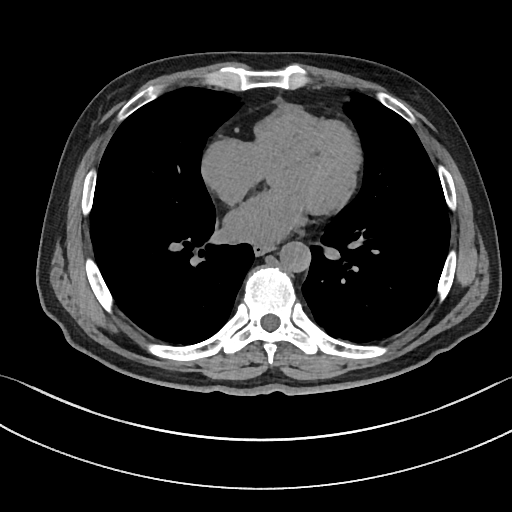 Abdominal CT; this slice is in the lower chest, just above the liver. Axial slice 231/231
No part of the heart or lungs is labeled in this dataset, so neither has a box here.
<organs><organ name="esophagus" x1="254" y1="243" x2="274" y2="254"/><organ name="aorta" x1="278" y1="241" x2="310" y2="271"/></organs>